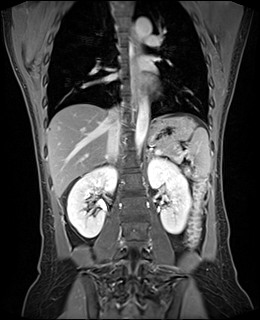
Abdominal MRI; Coronal slice 61/144; Prisma scanner
Boxes are (x1, y1, x2, y2) in pixels.
spleen: (187, 127, 210, 177)
right kidney: (67, 165, 116, 238)
left kidney: (148, 158, 191, 233)
esophagus: (131, 28, 139, 104)
liver: (47, 104, 108, 197)
stomach: (148, 116, 195, 143)
aorta: (135, 96, 149, 154)
aorta: (136, 17, 151, 39)
inferior vena cava: (106, 107, 121, 159)
pancreas: (158, 142, 177, 155)
left adrenal gland: (147, 150, 153, 159)